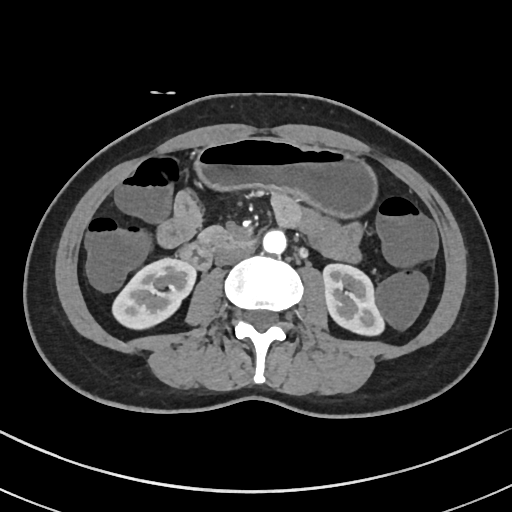
Abdominal CT. axial view. 512x512 px
Organ boxes in pixel coordinates; each row gives the top-left (x1, y1) and bottom-right (x2, y2) corners.
| organ | x1 | y1 | x2 | y2 |
|---|---|---|---|---|
| right kidney | 114 | 259 | 195 | 327 |
| left kidney | 324 | 264 | 382 | 334 |
| stomach | 197 | 137 | 377 | 216 |
| aorta | 262 | 229 | 286 | 253 |
| inferior vena cava | 216 | 242 | 254 | 264 |
| pancreas | 196 | 226 | 223 | 241 |
| duodenum | 179 | 230 | 246 | 270 |